Abdominal CT; axial plane, index 81; soft-tissue window; 768x768 px; scan has 15 labeled organs (a whole-scan count: organs this slice does not pass through have no box)
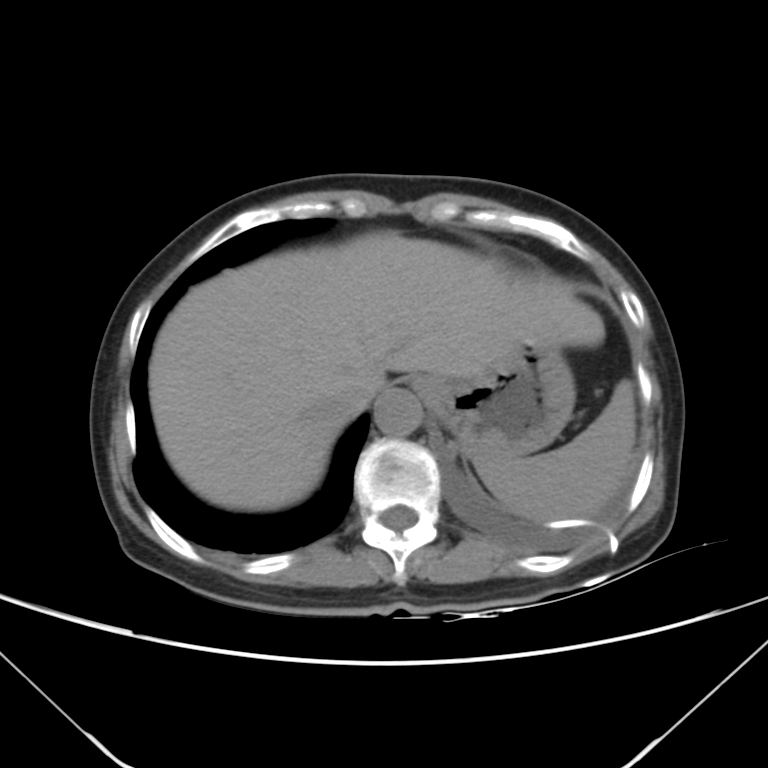 {"organs":{"spleen":[475,381,634,521],"esophagus":[414,377,437,397],"liver":[148,232,605,510],"stomach":[424,337,575,458],"aorta":[374,389,421,435],"inferior vena cava":[330,370,383,418]}}